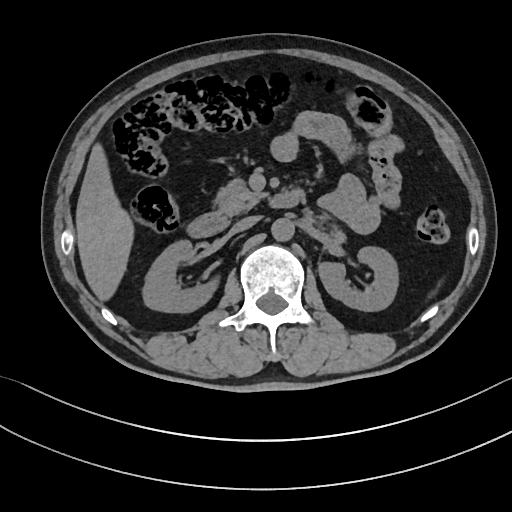
CT, abdomen/pelvis; Axial slice 153/231; W/L 400/40 HU; 512x512 px
Boxes are (x1, y1, x2, y2) in pixels.
Organ bounding boxes:
- pancreas: (216, 180, 266, 216)
- inferior vena cava: (231, 215, 260, 233)
- duodenum: (190, 190, 304, 236)
- right kidney: (141, 239, 217, 311)
- liver: (76, 146, 132, 299)
- left kidney: (318, 246, 399, 311)
- aorta: (271, 217, 294, 241)